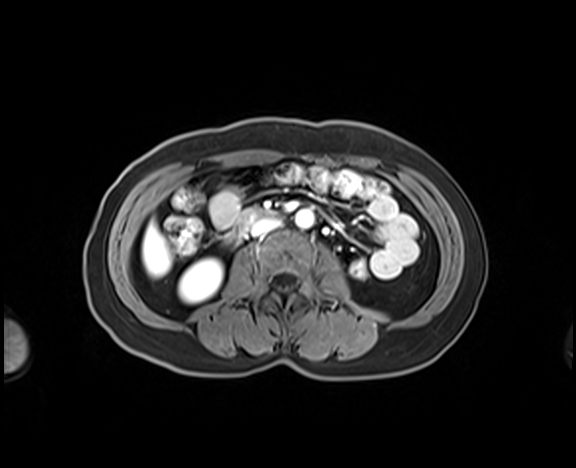
Magnetic resonance imaging, abdomen — axial plane, index 13 — 1st–99th percentile window
Organ boxes in pixel coordinates; each row gives the top-left (x1, y1) and bottom-right (x2, y2) corners.
| organ | x1 | y1 | x2 | y2 |
|---|---|---|---|---|
| right kidney | 178 | 258 | 222 | 303 |
| liver | 142 | 221 | 171 | 276 |
| aorta | 295 | 209 | 314 | 228 |
| inferior vena cava | 251 | 219 | 279 | 236 |
| duodenum | 233 | 208 | 277 | 234 |